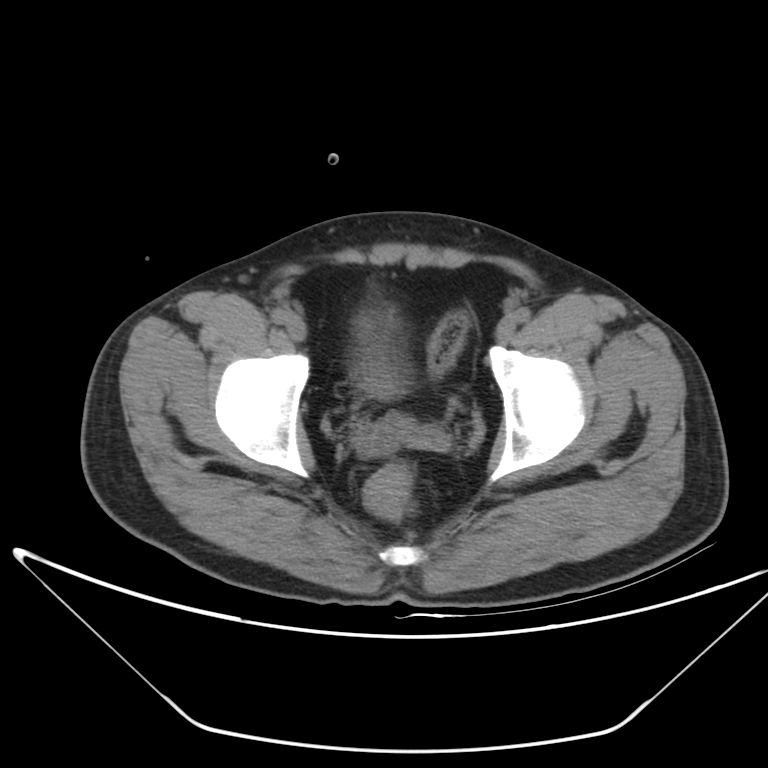 Abdominal CT · axial plane, index 17 · soft-tissue window
Bounding boxes as [x1, y1, x2, y2] in pixel coordinates.
Organ bounding boxes:
- bladder: [359, 343, 399, 396]